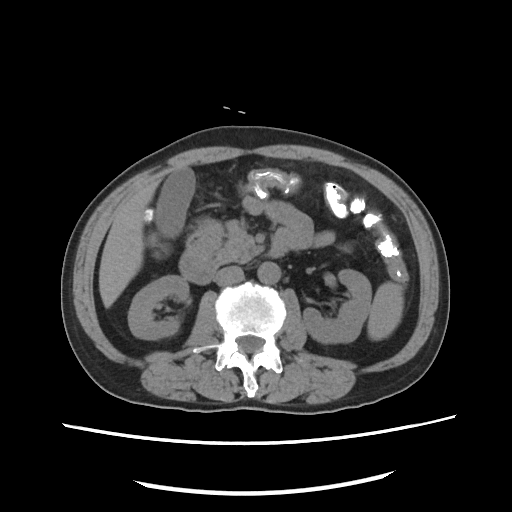

Computed tomography, abdomen · axial view · abdomen soft-tissue window
Boxes are (x1, y1, x2, y2) in pixels.
Organ bounding boxes:
- spleen: (367, 282, 403, 340)
- right kidney: (128, 275, 188, 339)
- left kidney: (303, 269, 371, 343)
- gall bladder: (152, 167, 194, 237)
- liver: (98, 179, 159, 307)
- stomach: (186, 217, 222, 256)
- aorta: (258, 262, 280, 284)
- inferior vena cava: (215, 266, 243, 285)
- pancreas: (215, 221, 252, 263)
- duodenum: (179, 242, 286, 284)